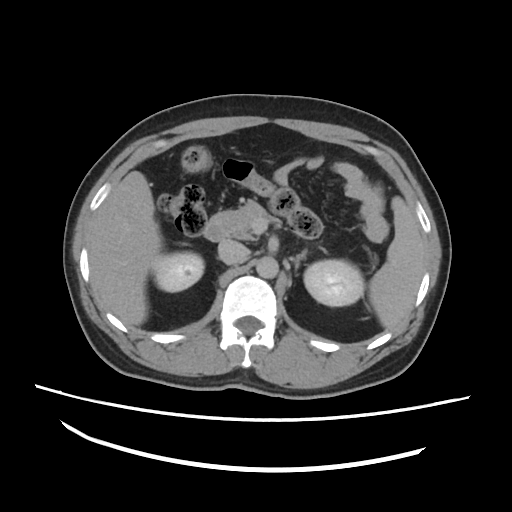 Abdominal CT. Axial slice 72/97. soft-tissue window
<organs><organ name="spleen" x1="362" y1="196" x2="426" y2="333"/><organ name="right kidney" x1="153" y1="250" x2="204" y2="291"/><organ name="left kidney" x1="303" y1="259" x2="363" y2="306"/><organ name="liver" x1="90" y1="171" x2="162" y2="325"/><organ name="aorta" x1="255" y1="255" x2="279" y2="277"/><organ name="inferior vena cava" x1="218" y1="240" x2="250" y2="264"/><organ name="pancreas" x1="209" y1="198" x2="327" y2="253"/><organ name="left adrenal gland" x1="287" y1="252" x2="305" y2="270"/><organ name="duodenum" x1="202" y1="224" x2="227" y2="241"/></organs>